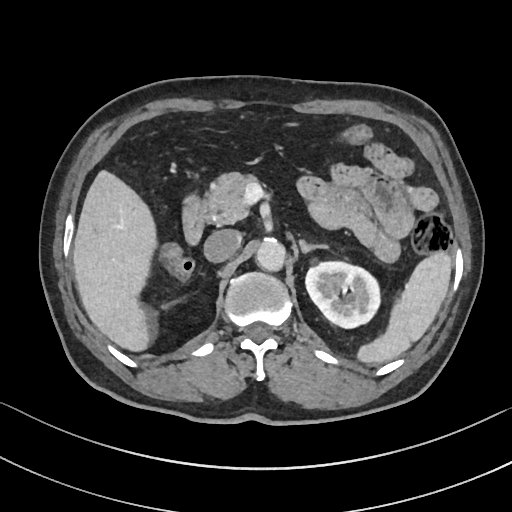
CT abdomen · axial plane, index 166 · abdomen soft-tissue window · 512x512 px · SOMATOM Force scanner
{"organs":{"spleen":[358,249,453,365],"left kidney":[306,258,379,327],"liver":[72,170,158,352],"aorta":[255,239,285,272],"inferior vena cava":[203,230,240,262],"pancreas":[203,173,261,225],"left adrenal gland":[300,239,326,256],"duodenum":[181,194,203,245]}}